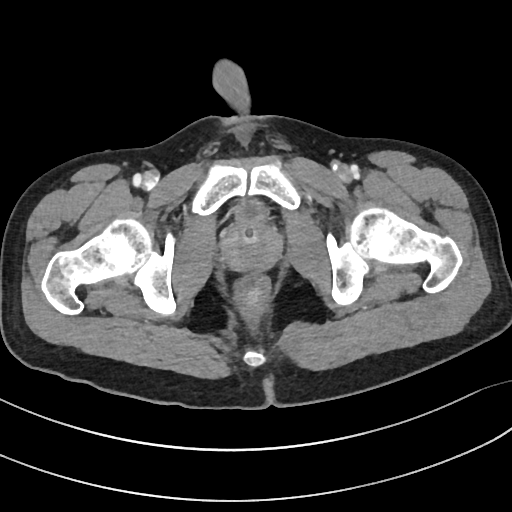
Abdominal CT · Axial slice 15/251 · 512x512 px
<organs><organ name="bladder" x1="236" y1="198" x2="267" y2="221"/><organ name="prostate/uterus" x1="223" y1="222" x2="280" y2="269"/></organs>